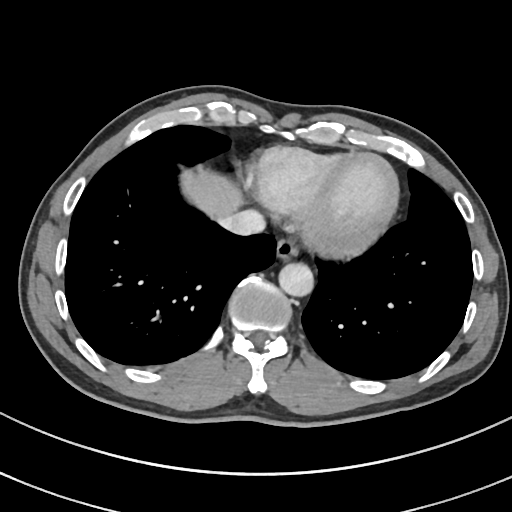

CT abdomen — axial plane, index 175 — soft-tissue window (W 400 / L 40) — scan has 15 labeled organs (that count is for the whole scan; organs this slice misses have no box)
Boxes: x1:y1:x2:y2 in pixels. Labeled organs on this slice: esophagus at 274:240:296:262, liver at 183:172:242:217, aorta at 279:264:314:297, inferior vena cava at 219:211:265:236.